Abdominal CT · axial view · W/L 400/40 HU · 768x768 px · 66-year-old female patient
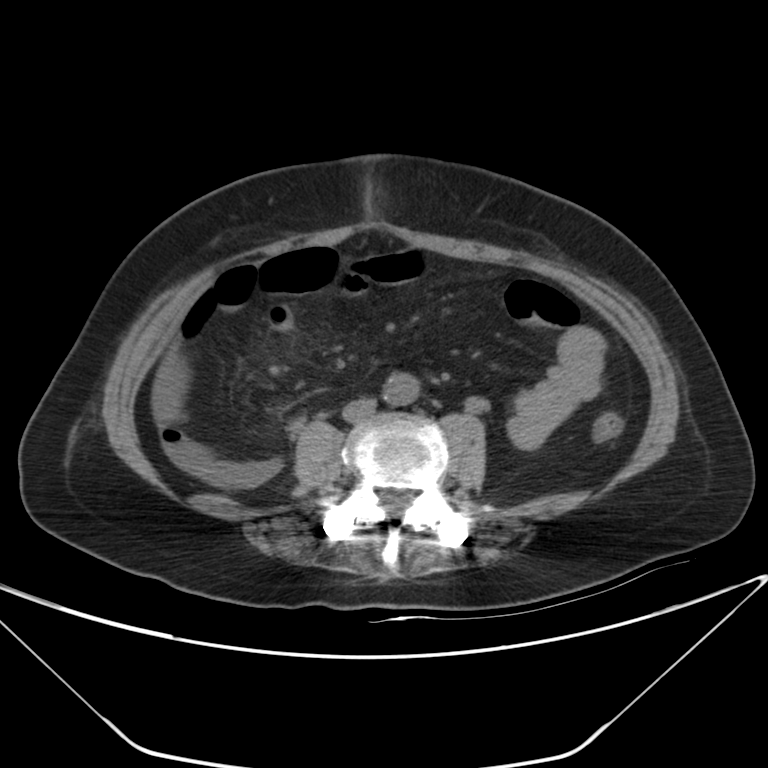 Boxes are (x1, y1, x2, y2) in pixels.
Organ bounding boxes:
- aorta: (383, 372, 419, 405)